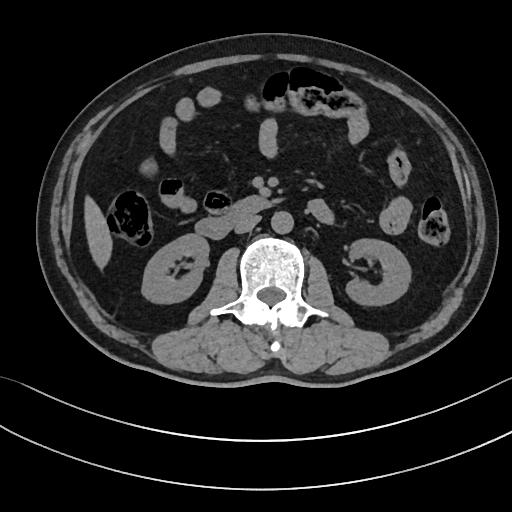

CT, abdomen/pelvis · axial view · 512x512 px
<organs><organ name="right kidney" x1="141" y1="234" x2="208" y2="303"/><organ name="left kidney" x1="346" y1="238" x2="411" y2="305"/><organ name="liver" x1="84" y1="196" x2="112" y2="269"/><organ name="aorta" x1="271" y1="211" x2="293" y2="233"/><organ name="inferior vena cava" x1="234" y1="215" x2="260" y2="233"/><organ name="duodenum" x1="195" y1="196" x2="273" y2="238"/></organs>